CT abdomen — axial view
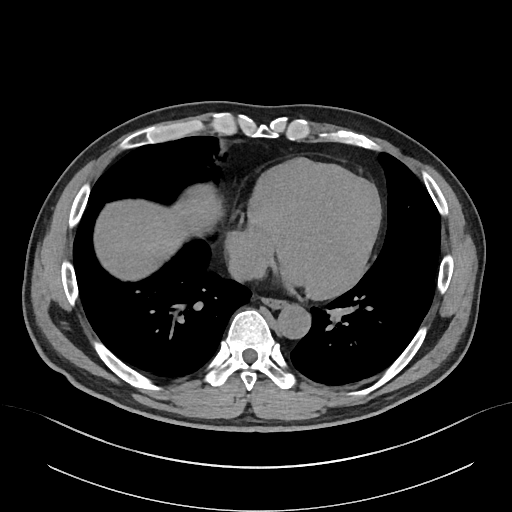 Organ boxes in pixel coordinates; each row gives the top-left (x1, y1) and bottom-right (x2, y2) corners.
| organ | x1 | y1 | x2 | y2 |
|---|---|---|---|---|
| esophagus | 262 | 297 | 287 | 307 |
| aorta | 277 | 304 | 310 | 338 |
| inferior vena cava | 228 | 247 | 267 | 282 |
| liver | 96 | 187 | 220 | 278 |